Magnetic resonance imaging, abdomen; axial view
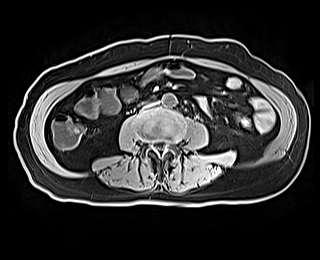
<organs><organ name="aorta" x1="162" y1="93" x2="177" y2="107"/><organ name="inferior vena cava" x1="144" y1="102" x2="156" y2="107"/><organ name="duodenum" x1="137" y1="97" x2="150" y2="107"/></organs>